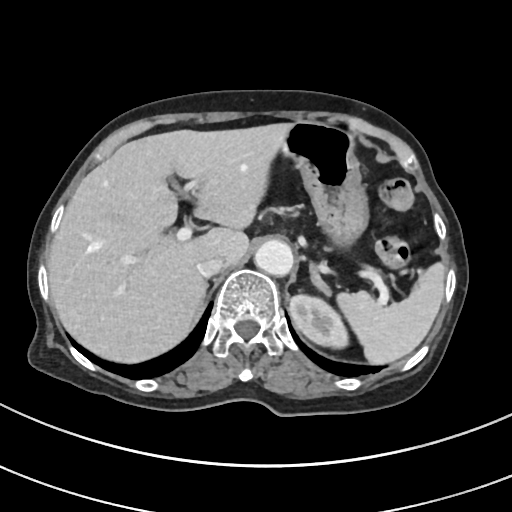

Abdominal CT. Axial slice 162/284. 512x512 px. scan has 15 labeled organs (that count is for the whole scan; organs this slice misses have no box)
{"organs":{"spleen":[335,261,445,364],"left kidney":[289,293,349,347],"liver":[48,123,288,363],"stomach":[279,121,366,242],"aorta":[254,238,292,274],"inferior vena cava":[195,258,226,276],"left adrenal gland":[309,259,332,295]}}